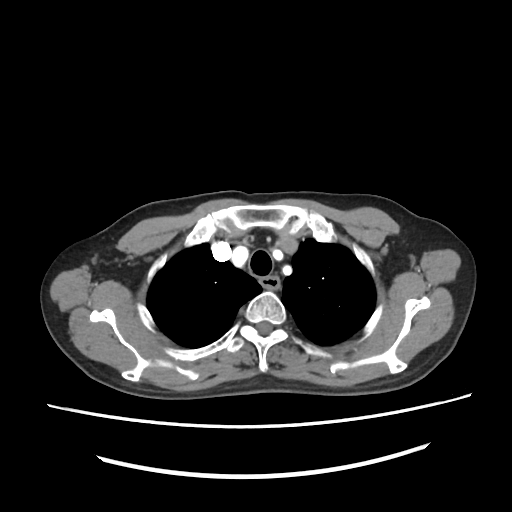
Abdominal CT reaching into the chest; this slice is in the chest — axial view — W/L 400/40 HU — 512x512 px
At this level of the chest no structure but the esophagus and the aorta has a label in this dataset, and those two are boxed only where they are labeled.
Organ boxes in pixel coordinates; each row gives the top-left (x1, y1) and bottom-right (x2, y2) corners.
| organ | x1 | y1 | x2 | y2 |
|---|---|---|---|---|
| esophagus | 261 | 277 | 279 | 289 |